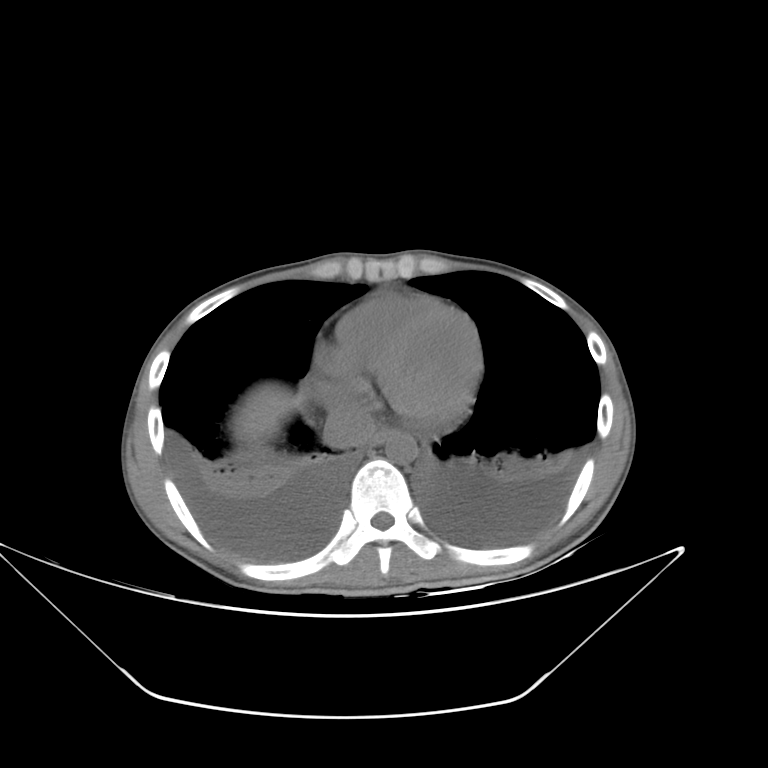

Abdominal CT. axial plane, index 96. soft-tissue window. 24-year-old male patient. 15 organs annotated in this scan (a whole-scan count: organs this slice does not pass through have no box)
<organs><organ name="aorta" x1="384" y1="432" x2="417" y2="463"/><organ name="liver" x1="232" y1="384" x2="303" y2="453"/><organ name="inferior vena cava" x1="323" y1="403" x2="375" y2="448"/><organ name="esophagus" x1="369" y1="428" x2="391" y2="446"/></organs>